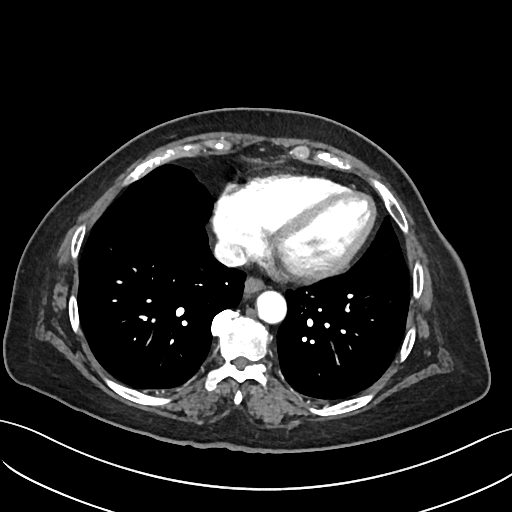

CT of the abdomen reaching into the lower chest, slice just above the liver and spleen — Axial slice 186/276 — W/L 400/40 HU — 512x512 px — 15 organs annotated in this scan (counted over the whole 3D scan, not this slice; an organ is boxed only where this slice passes through it)
Of the structures in the chest, this dataset labels only the esophagus, the aorta and the inferior vena cava; the heart and lungs have no label.
One row per box, in pixels: columns x1 and y1 give the top-left corner, x2 and y2 the bottom-right.
| organ | x1 | y1 | x2 | y2 |
|---|---|---|---|---|
| aorta | 256 | 289 | 286 | 322 |
| esophagus | 245 | 277 | 265 | 291 |
| inferior vena cava | 212 | 238 | 246 | 266 |